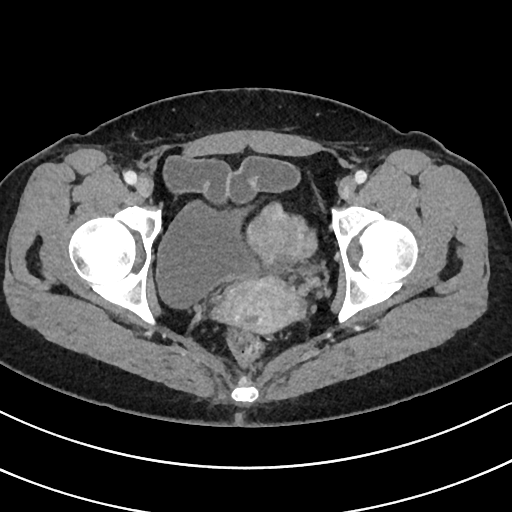

Computed tomography, abdomen · Axial slice 27/206 · soft-tissue window · 15 organs annotated in this scan (that count is for the whole scan; organs this slice misses have no box)
<organs><organ name="bladder" x1="156" y1="201" x2="254" y2="307"/><organ name="prostate/uterus" x1="217" y1="203" x2="315" y2="333"/></organs>